CT abdomen. Axial slice 141/279. SOMATOM Force scanner
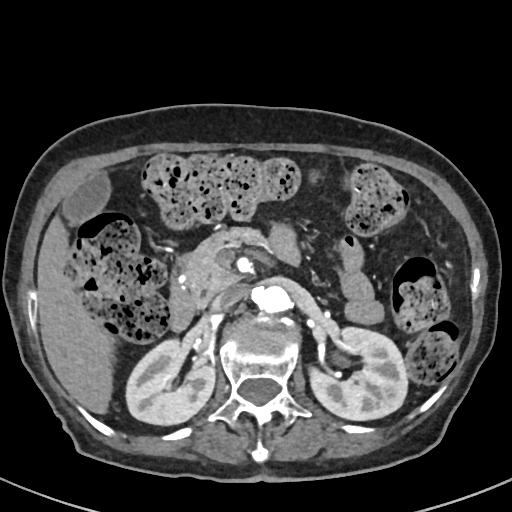 Boxes: x1:y1:x2:y2 in pixels.
Organ bounding boxes:
- pancreas: 183:227:276:302
- right kidney: 125:339:215:424
- duodenum: 169:257:196:331
- left kidney: 309:327:407:420
- inferior vena cava: 211:284:245:310
- aorta: 255:285:290:314
- liver: 37:217:113:414
- gall bladder: 62:171:110:224